Chest-level slice from an abdominal CT that extends up into the chest; axial view; soft-tissue window
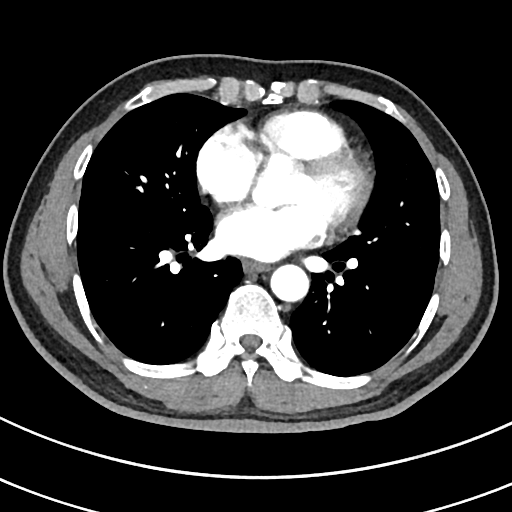

At this level of the chest no structure but the esophagus and the aorta has a label in this dataset, and those two are boxed only where they are labeled.
{"organs":{"aorta":[270,264,308,301],"esophagus":[242,259,268,272]}}